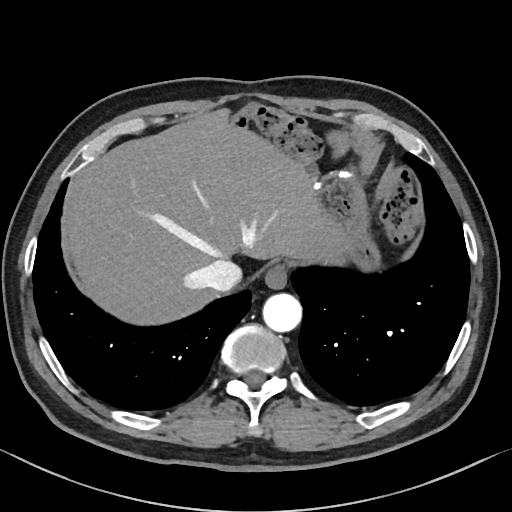
CT abdomen. axial view. soft-tissue window. scan has 15 labeled organs (counted over the whole 3D scan, not this slice; an organ is boxed only where this slice passes through it)
Bounding boxes as [x1, y1, x2, y2] in pixel coordinates.
esophagus: [263, 265, 286, 289]
liver: [64, 108, 349, 325]
stomach: [316, 174, 378, 265]
aorta: [263, 293, 301, 332]
inferior vena cava: [197, 257, 242, 290]